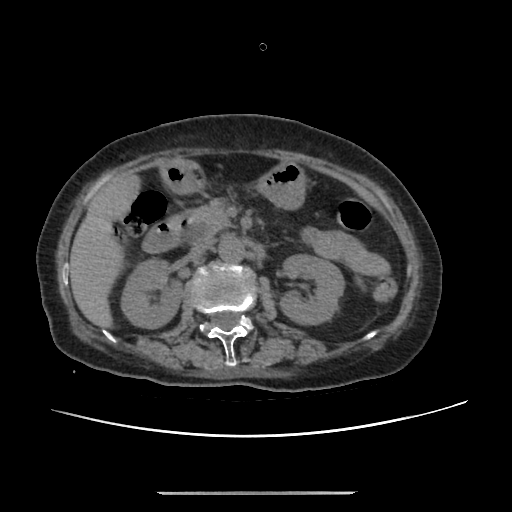

Abdominal CT; axial view; soft-tissue window; scan has 14 labeled organs (a whole-scan count: organs this slice does not pass through have no box)
Bounding boxes in pixels, one row per box: x1, y1 is the top-left corner and x2, y2 the bottom-right.
| organ | x1 | y1 | x2 | y2 |
|---|---|---|---|---|
| stomach | 161 | 163 | 306 | 209 |
| inferior vena cava | 188 | 242 | 210 | 260 |
| left kidney | 280 | 254 | 344 | 324 |
| pancreas | 193 | 198 | 233 | 236 |
| duodenum | 142 | 162 | 207 | 253 |
| liver | 70 | 174 | 140 | 327 |
| right kidney | 120 | 257 | 183 | 328 |
| aorta | 218 | 236 | 244 | 263 |